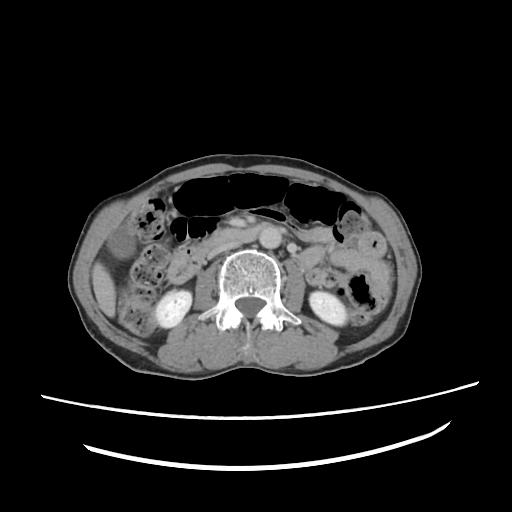

Computed tomography, abdomen. axial plane, index 53. soft-tissue window (W 400 / L 40)
Box edges are left/top/right/bottom in pixels.
Organ bounding boxes:
- inferior vena cava: left=208, top=242, right=243, bottom=258
- pancreas: left=192, top=236, right=225, bottom=258
- gall bladder: left=108, top=224, right=136, bottom=258
- left kidney: left=308, top=290, right=346, bottom=323
- duodenum: left=167, top=226, right=259, bottom=282
- right kidney: left=151, top=290, right=190, bottom=327
- aorta: left=258, top=225, right=281, bottom=247
- liver: left=92, top=261, right=116, bottom=316